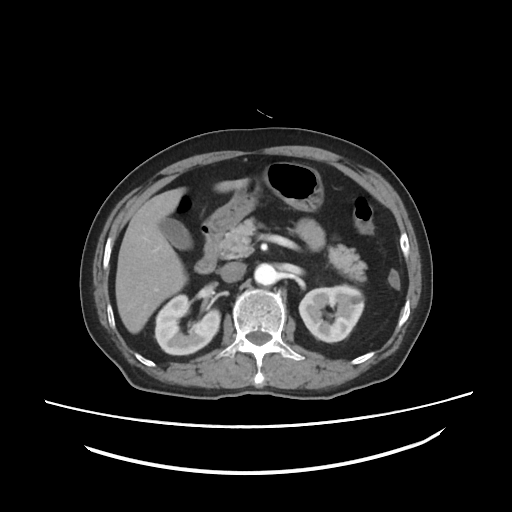 Abdominal CT; axial view
{"organs":{"right kidney":[155,295,220,355],"left kidney":[299,285,363,342],"gall bladder":[159,217,192,249],"liver":[115,179,249,333],"stomach":[204,162,323,231],"aorta":[254,263,277,285],"inferior vena cava":[219,262,246,282],"pancreas":[220,217,366,281],"duodenum":[194,224,222,273]}}